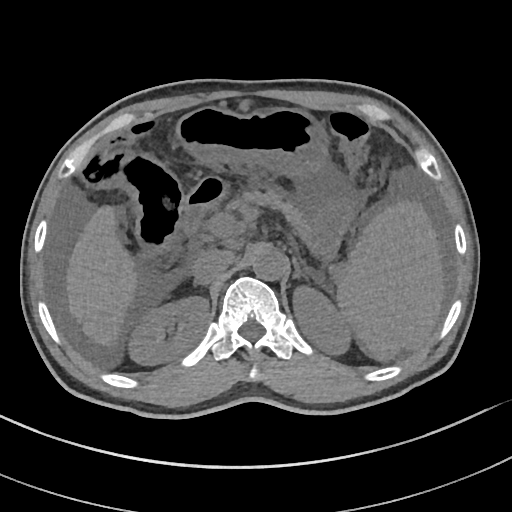
CT, abdomen/pelvis; Axial slice 154/206; abdomen soft-tissue window; 512x512 px; scan has 15 labeled organs (that count is for the whole scan; organs this slice misses have no box)
Organ boxes in pixel coordinates; each row gives the top-left (x1, y1) and bottom-right (x2, y2) corners.
| organ | x1 | y1 | x2 | y2 |
|---|---|---|---|---|
| spleen | 336 | 202 | 442 | 361 |
| right kidney | 129 | 297 | 209 | 364 |
| left kidney | 294 | 287 | 350 | 354 |
| liver | 67 | 205 | 139 | 348 |
| stomach | 174 | 107 | 361 | 260 |
| aorta | 252 | 248 | 287 | 281 |
| inferior vena cava | 192 | 250 | 234 | 282 |
| pancreas | 249 | 192 | 313 | 250 |
| right adrenal gland | 194 | 280 | 208 | 290 |
| left adrenal gland | 293 | 263 | 310 | 285 |
| duodenum | 181 | 178 | 227 | 232 |